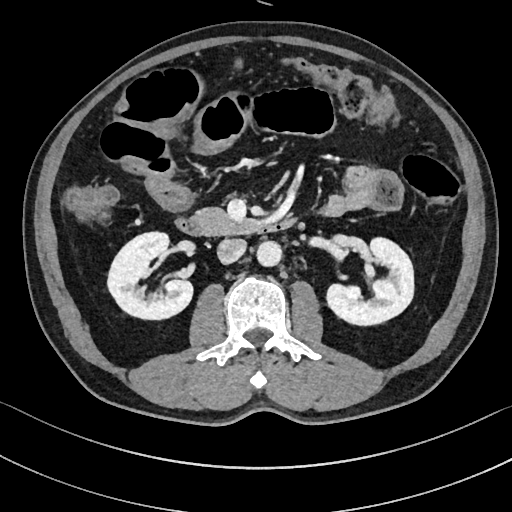 CT abdomen; Axial slice 139/232; 15 organs annotated in this scan (a whole-scan count: organs this slice does not pass through have no box)
Coordinates as <box>x1,y1,x2,y2</box> in pixels.
pancreas: <box>194,208,239,233</box>
left kidney: <box>327,237,413,325</box>
duodenum: <box>175,217,296,235</box>
inferior vena cava: <box>217,238,246,264</box>
aorta: <box>256,241,282,266</box>
right kidney: <box>107,231,192,319</box>